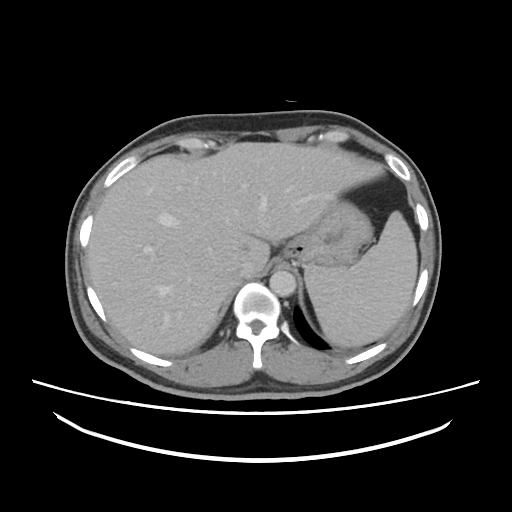

CT abdomen — axial view — 512x512 px — 31-year-old male patient
Boxes: x1 y1 x2 y2 (pixel coords, space-separated).
spleen: 304 211 417 346
liver: 88 142 383 354
stomach: 283 201 372 267
aorta: 269 270 296 296
inferior vena cava: 235 260 253 278